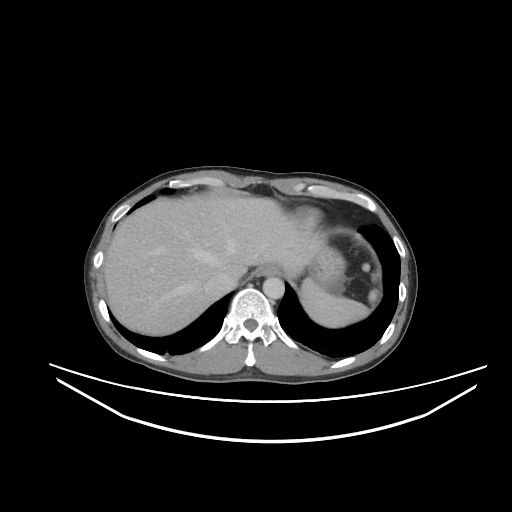 Computed tomography, abdomen · axial plane, index 82 · 512x512 px · 47-year-old male patient
Bounding boxes as [x1, y1, x2, y2] in pixel coordinates.
Organ bounding boxes:
- spleen: [300, 278, 378, 327]
- esophagus: [255, 265, 279, 276]
- liver: [103, 195, 323, 335]
- stomach: [308, 244, 345, 290]
- aorta: [262, 277, 284, 299]
- inferior vena cava: [204, 272, 238, 293]